Abdominal CT — Axial slice 41/218 — soft-tissue window — scan has 15 labeled organs (a whole-scan count: organs this slice does not pass through have no box)
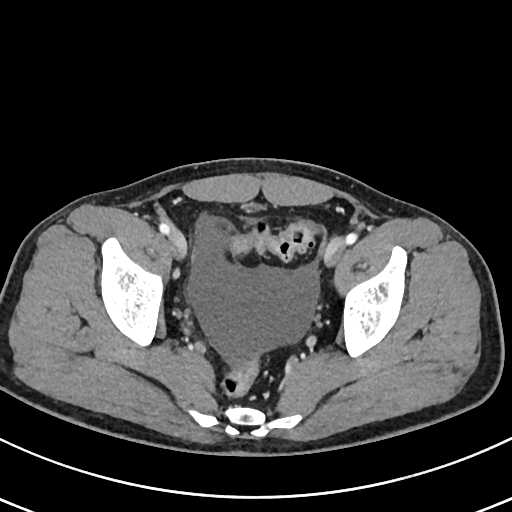
Each box given as x1,y1,x2,y2.
bladder: x1=241, y1=203, x2=265, y2=210